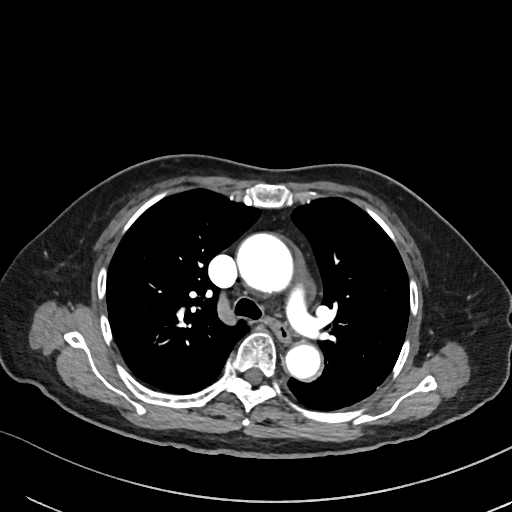 Chest-level slice from an abdominal CT that extends up into the chest. Axial slice 254/297. soft-tissue window (W 400 / L 40). 512x512 px
At this level of the chest no structure but the esophagus and the aorta has a label in this dataset, and those two are boxed only where they are labeled.
{"organs":{"aorta":[[236,233,293,292],[285,343,320,380]],"esophagus":[269,319,290,343]}}